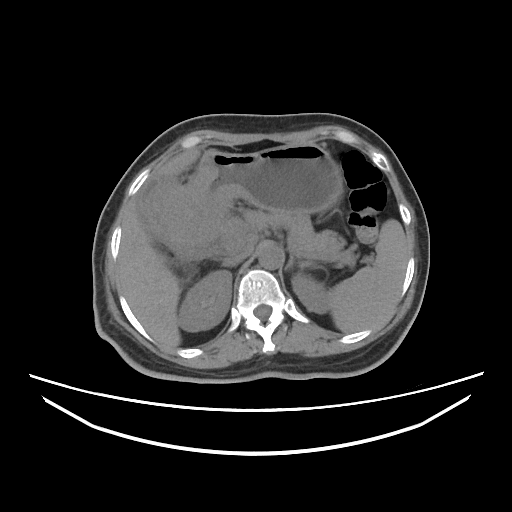 CT abdomen · axial plane, index 76 · soft-tissue window (W 400 / L 40) · 15 organs annotated in this scan (counted over the whole 3D scan, not this slice; an organ is boxed only where this slice passes through it)
Boxes are (x1, y1, x2, y2) in pixels.
spleen: (327, 219, 409, 333)
right kidney: (178, 270, 231, 331)
left kidney: (292, 274, 328, 313)
gall bladder: (142, 179, 168, 239)
liver: (117, 149, 200, 347)
stomach: (152, 143, 343, 246)
aorta: (257, 241, 283, 269)
inferior vena cava: (222, 246, 252, 265)
pancreas: (243, 209, 355, 265)
right adrenal gland: (221, 263, 234, 267)
left adrenal gland: (285, 253, 302, 270)
duodenum: (175, 245, 212, 259)